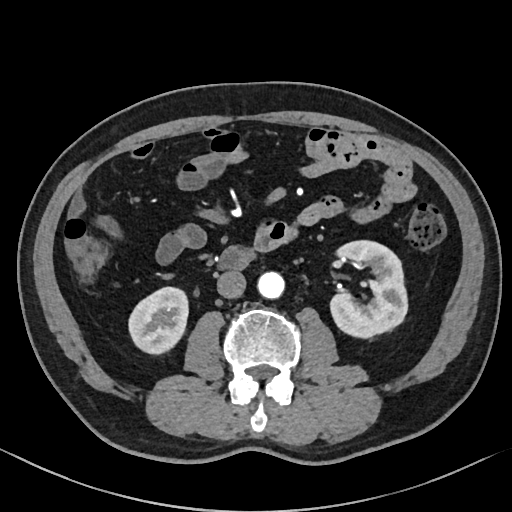

CT abdomen. axial view. SOMATOM Force scanner. 15 organs annotated in this scan (a whole-scan count: organs this slice does not pass through have no box)
Organ boxes in pixel coordinates; each row gives the top-left (x1, y1) and bottom-right (x2, y2) corners.
| organ | x1 | y1 | x2 | y2 |
|---|---|---|---|---|
| aorta | 257 | 271 | 284 | 298 |
| duodenum | 218 | 246 | 254 | 270 |
| right kidney | 128 | 287 | 188 | 353 |
| inferior vena cava | 217 | 270 | 245 | 298 |
| left kidney | 330 | 240 | 407 | 337 |